Abdominal CT; this slice is in the lower chest, just above the liver · axial view · soft-tissue window, W/L 400/40 · 512x512 px · 15 organs annotated in this scan (that count is for the whole scan; organs this slice misses have no box)
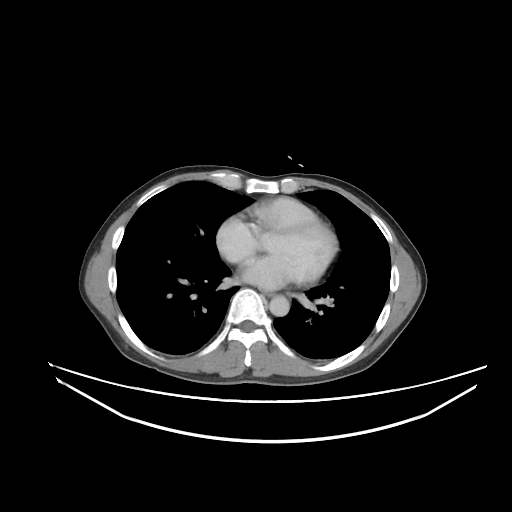
Of the structures in the chest, this dataset labels only the esophagus, the aorta and the inferior vena cava; the heart and lungs have no label.
Bounding boxes as [x1, y1, x2, y2] in pixel coordinates.
esophagus: [264, 292, 272, 296]
aorta: [269, 295, 289, 316]